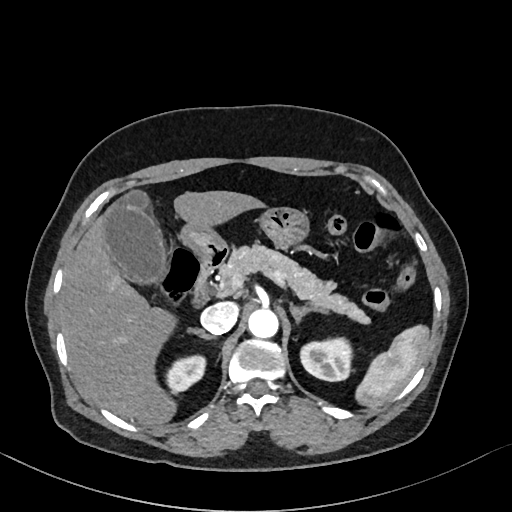 Computed tomography, abdomen. Axial slice 162/222. scan has 15 labeled organs (a whole-scan count: organs this slice does not pass through have no box)
{"organs":{"inferior vena cava":[200,302,238,333],"right adrenal gland":[190,327,211,337],"right kidney":[168,356,207,393],"left adrenal gland":[290,301,328,318],"left kidney":[299,338,352,380],"pancreas":[218,243,368,321],"aorta":[248,308,278,337],"liver":[61,190,261,425],"duodenum":[192,250,227,310],"spleen":[356,326,428,406],"gall bladder":[103,190,163,280],"stomach":[180,207,307,256]}}